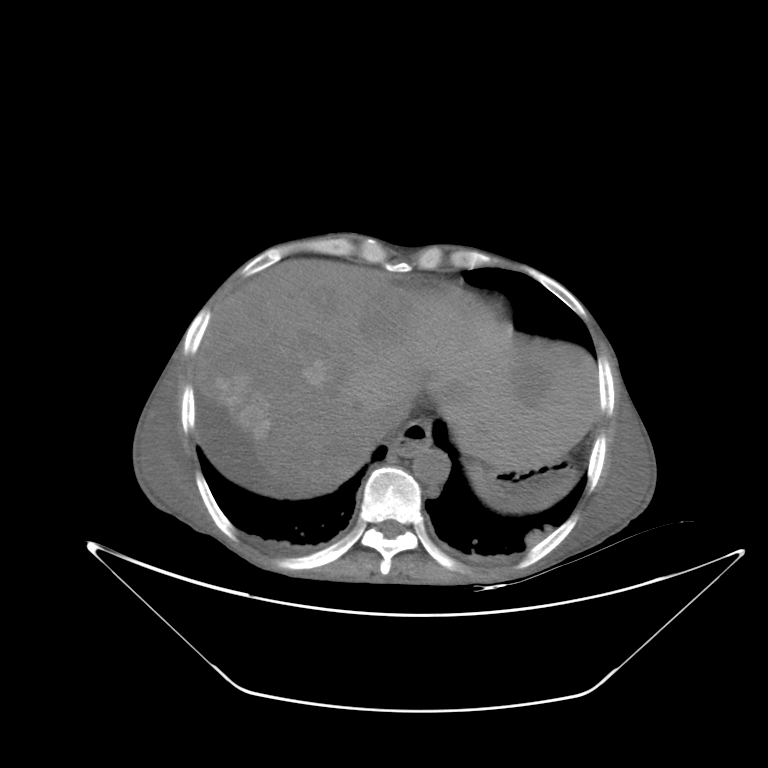

CT, abdomen/pelvis — axial view — soft-tissue window — 15 organs annotated in this scan (that count is for the whole scan; organs this slice misses have no box)
Box edges are left/top/right/bottom in pixels.
aorta: left=412, top=447, right=450, bottom=483
liver: left=195, top=259, right=599, bottom=493
esophagus: left=389, top=420, right=432, bottom=456
inferior vena cava: left=374, top=402, right=409, bottom=439
stomach: left=470, top=460, right=577, bottom=512